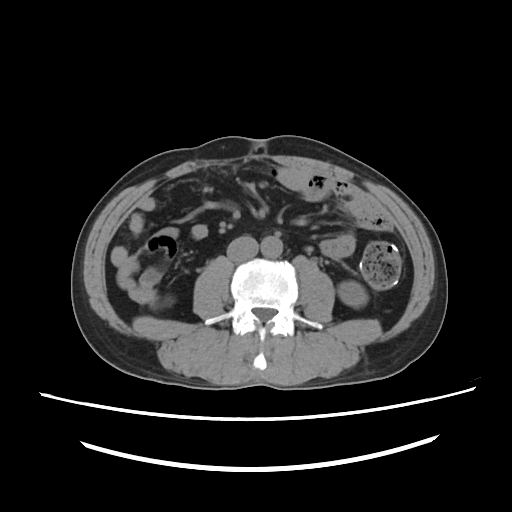 CT, abdomen/pelvis — Axial slice 50/87 — W/L 400/40 HU
Box edges are left/top/right/bottom in pixels.
left kidney: left=340, top=282, right=366, bottom=307
inferior vena cava: left=226, top=234, right=259, bottom=262
aorta: left=260, top=236, right=283, bottom=258